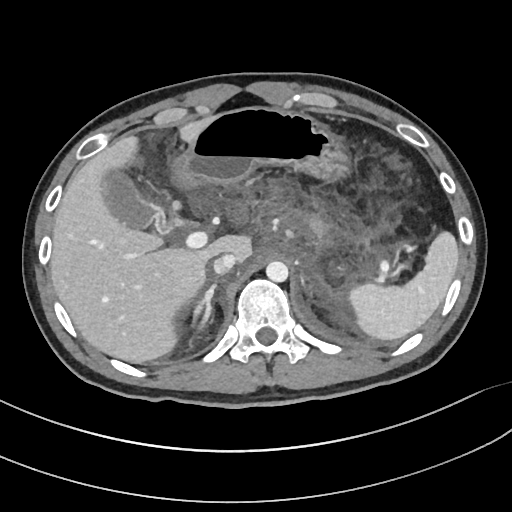
CT abdomen; Axial slice 186/251
Boxes: x1 y1 x2 y2 (pixel coords, space-separated). 8 labeled organs on this slice — spleen at 348 233 458 339; gall bladder at 100 165 167 233; liver at 50 121 251 363; stomach at 171 106 345 192; aorta at 265 261 288 282; inferior vena cava at 213 253 237 275; pancreas at 306 214 328 232; right adrenal gland at 193 278 219 332.